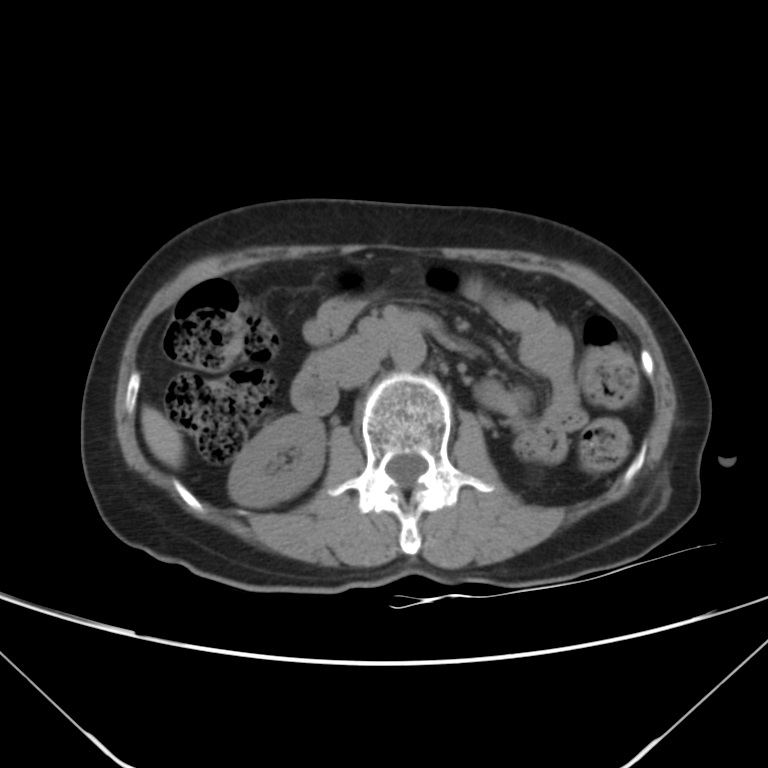

CT, abdomen/pelvis; axial view; W/L 400/40 HU; 768x768 px
Boxes: x1 y1 x2 y2 (pixel coords, space-separated).
Organ bounding boxes:
- right kidney: 229 414 325 507
- liver: 140 405 184 467
- aorta: 391 333 425 367
- inferior vena cava: 337 358 380 388
- pancreas: 328 346 336 350
- duodenum: 291 312 437 414